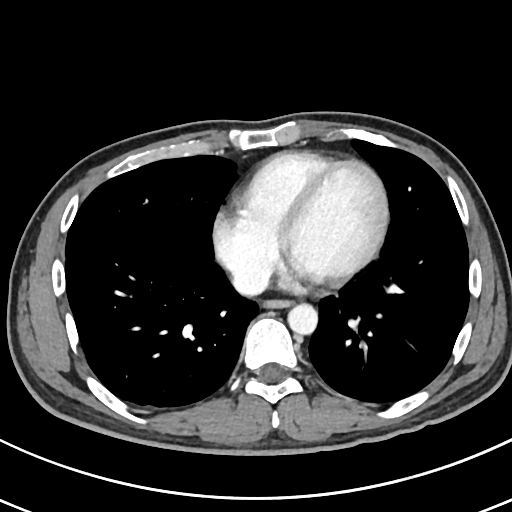

Lower-chest slice from an abdominal CT, just above the liver and spleen · Axial slice 215/218 · soft-tissue window
No part of the heart or lungs is labeled in this dataset, so neither has a box here.
<organs><organ name="esophagus" x1="264" y1="300" x2="290" y2="308"/><organ name="aorta" x1="287" y1="303" x2="317" y2="335"/><organ name="inferior vena cava" x1="233" y1="267" x2="268" y2="295"/></organs>